Computed tomography, abdomen; axial view; soft-tissue window
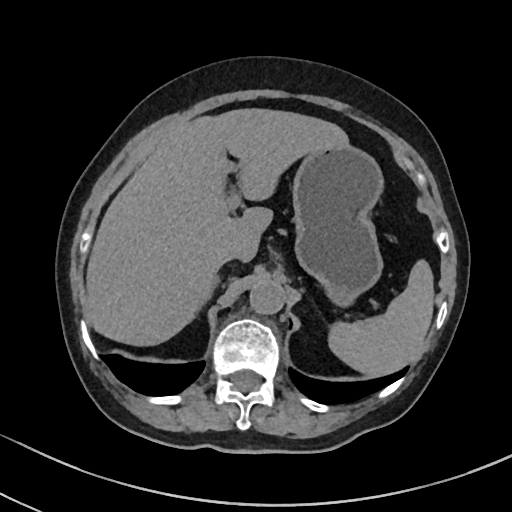
<organs><organ name="spleen" x1="330" y1="258" x2="435" y2="377"/><organ name="right adrenal gland" x1="211" y1="274" x2="222" y2="294"/><organ name="inferior vena cava" x1="217" y1="249" x2="242" y2="268"/><organ name="stomach" x1="292" y1="144" x2="383" y2="304"/><organ name="liver" x1="85" y1="108" x2="348" y2="346"/><organ name="aorta" x1="250" y1="278" x2="284" y2="313"/></organs>